Abdominal CT — axial view — W/L 400/40 HU — scan has 15 labeled organs (counted over the whole 3D scan, not this slice; an organ is boxed only where this slice passes through it)
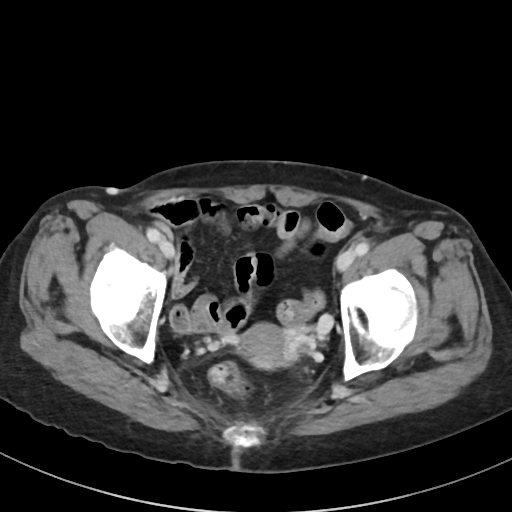

<organs><organ name="prostate/uterus" x1="237" y1="323" x2="288" y2="369"/></organs>